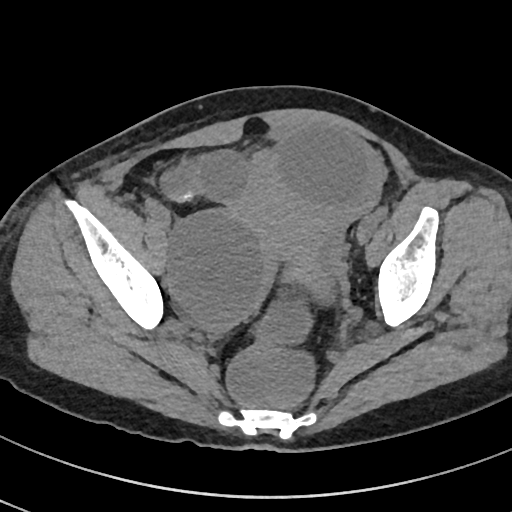 CT, abdomen/pelvis; Axial slice 46/218; W/L 400/40 HU
Bounding boxes as [x1, y1, x2, y2] in pixel coordinates. 1 labeled organ on this slice — prostate/uterus at [246, 183, 334, 262].